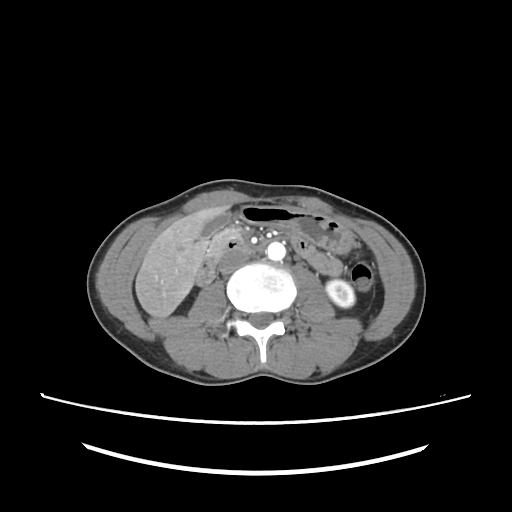
CT abdomen · axial view · 46-year-old male patient · acquired on Aquilion ONE
Each box given as x1,y1,x2,y2.
gall bladder: x1=200, y1=213, x2=227, y2=238
aorta: x1=267, y1=242, x2=285, y2=260
duodenum: x1=195, y1=239, x2=252, y2=287
liver: x1=135, y1=206, x2=227, y2=317
inferior vena cava: x1=218, y1=252, x2=248, y2=273
stomach: x1=240, y1=206, x2=353, y2=253
left kidney: x1=326, y1=279, x2=354, y2=307
pancreas: x1=205, y1=228, x2=239, y2=258